Abdominal CT · axial view · W/L 400/40 HU · 512x512 px · 52-year-old male patient · Aquilion ONE scanner · 15 organs annotated in this scan (a whole-scan count: organs this slice does not pass through have no box)
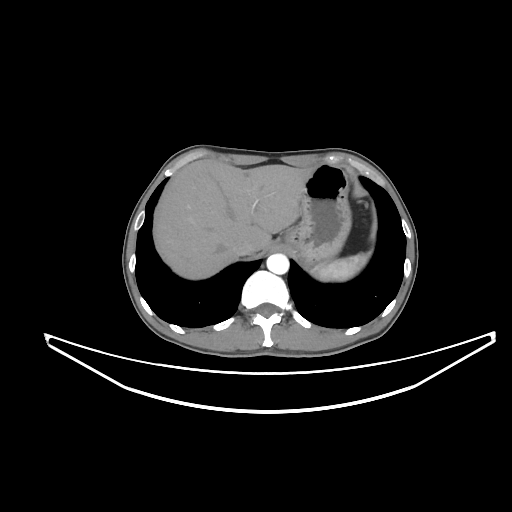 Organ boxes in pixel coordinates; each row gives the top-left (x1, y1) and bottom-right (x2, y2) corners.
| organ | x1 | y1 | x2 | y2 |
|---|---|---|---|---|
| spleen | 310 | 252 | 370 | 281 |
| liver | 157 | 159 | 314 | 279 |
| stomach | 284 | 163 | 351 | 265 |
| aorta | 266 | 254 | 288 | 274 |
| inferior vena cava | 233 | 239 | 254 | 255 |